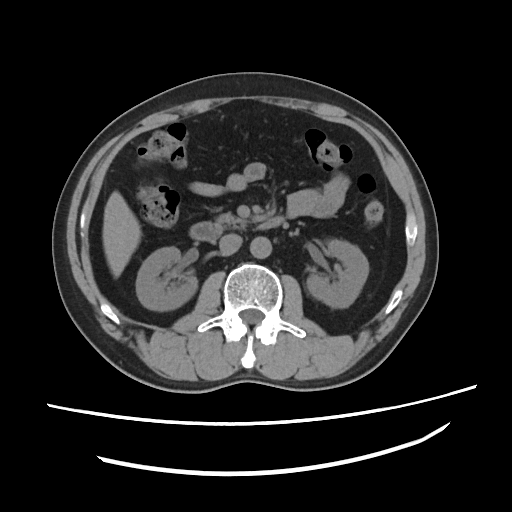 Abdominal CT. axial view
Boxes: x1:y1:x2:y2 in pixels.
Organ bounding boxes:
- right kidney: 136:246:197:310
- left kidney: 305:238:369:308
- liver: 103:190:140:277
- aorta: 251:236:271:258
- inferior vena cava: 218:234:242:254
- pancreas: 216:211:244:228
- duodenum: 190:218:282:238